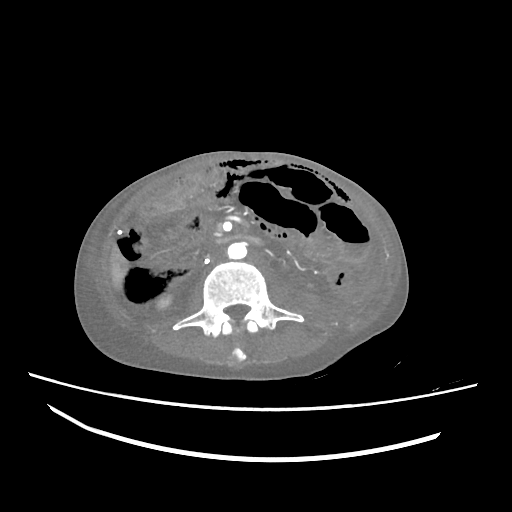

CT, abdomen/pelvis · axial plane, index 53 · 512x512 px
{"organs":{"right kidney":[157,295,171,308],"liver":[110,245,128,290],"aorta":[227,242,247,259],"inferior vena cava":[209,248,224,260],"duodenum":[219,235,261,244]}}